CT abdomen; axial view; abdomen soft-tissue window; 512x512 px; 61-year-old female patient
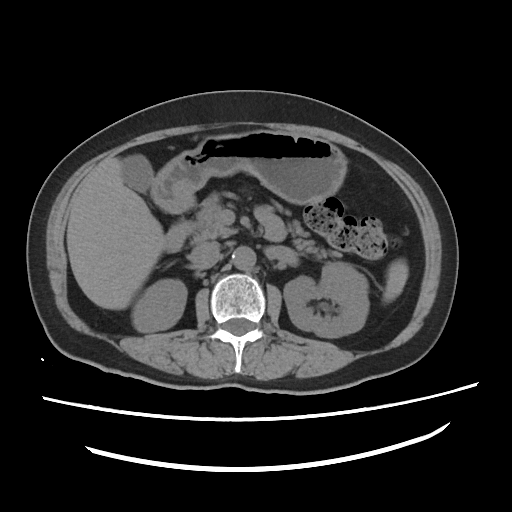

Each box given as x1,y1,x2,y2. The annotated organs in this slice are: spleen at x1=383, y1=259, x2=408, y2=302, duodenum at x1=163, y1=209, x2=285, y2=252, gall bladder at x1=121, y1=154, x2=153, y2=193, inferior vena cava at x1=189, y1=242, x2=220, y2=269, liver at x1=66, y1=157, x2=163, y2=309, pancreas at x1=190, y1=194, x2=334, y2=260, right kidney at x1=131, y1=279, x2=186, y2=332, left kidney at x1=284, y1=262, x2=368, y2=337, stomach at x1=152, y1=130, x2=346, y2=213, aorta at x1=232, y1=246, x2=255, y2=270.